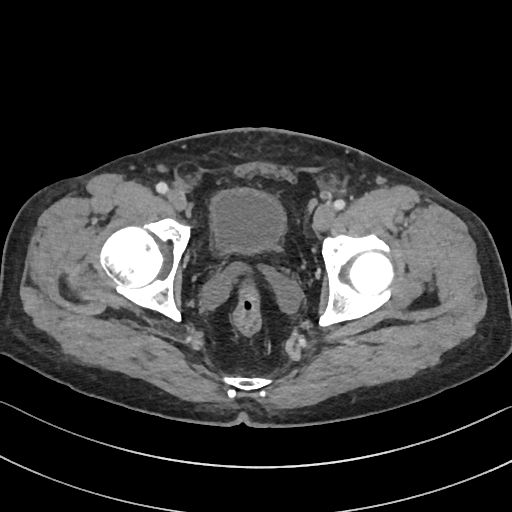 Abdominal CT — axial view — scan has 14 labeled organs (counted over the whole 3D scan, not this slice; an organ is boxed only where this slice passes through it)
Boxes: x1:y1:x2:y2 in pixels. 1 labeled organ on this slice — bladder at 210:188:285:252.